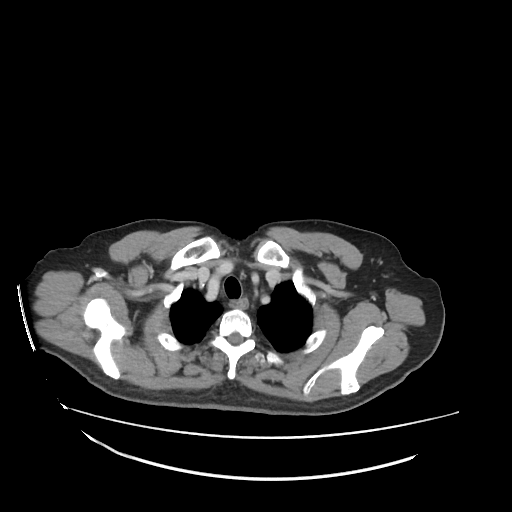 CT of the abdomen extending into the chest, slice through the chest · Axial slice 111/116 · 512x512 px · scan has 15 labeled organs (that count is for the whole scan; organs this slice misses have no box)
At this level of the chest no structure but the esophagus and the aorta has a label in this dataset, and those two are boxed only where they are labeled.
{"organs":{"esophagus":[233,298,248,306]}}